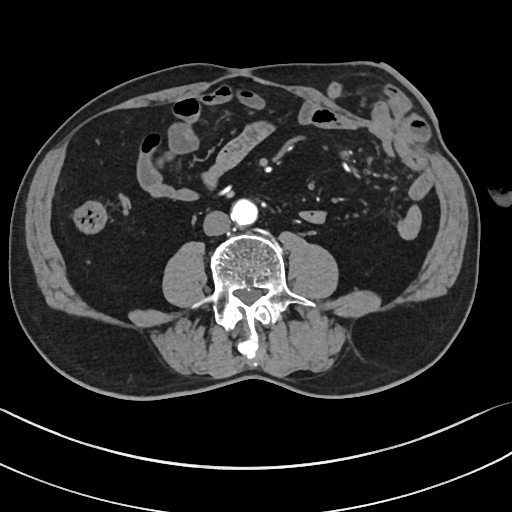 CT abdomen; axial view; acquired on SOMATOM Force
One row per box, in pixels: columns x1 and y1 give the top-left corner, x2 and y2 the bottom-right.
| organ | x1 | y1 | x2 | y2 |
|---|---|---|---|---|
| inferior vena cava | 203 | 211 | 230 | 235 |
| aorta | 231 | 199 | 257 | 225 |